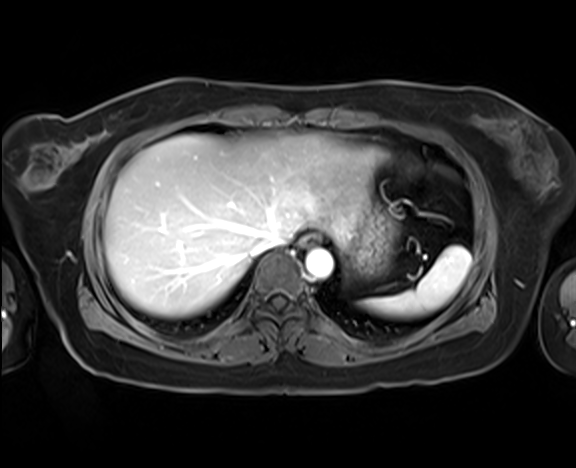 MRI, abdomen · axial view · percentile-normalized
Bounding boxes as [x1, y1, x2, y2] in pixel coordinates. Labeled organs on this slice: spleen at [363, 246, 470, 316], esophagus at [300, 234, 319, 246], liver at [104, 134, 372, 317], stomach at [349, 204, 396, 276], aorta at [305, 249, 333, 278], inferior vena cava at [251, 232, 290, 256].